CT, abdomen/pelvis. axial view. 512x512 px. 61-year-old female patient. 15 organs annotated in this scan (counted over the whole 3D scan, not this slice; an organ is boxed only where this slice passes through it)
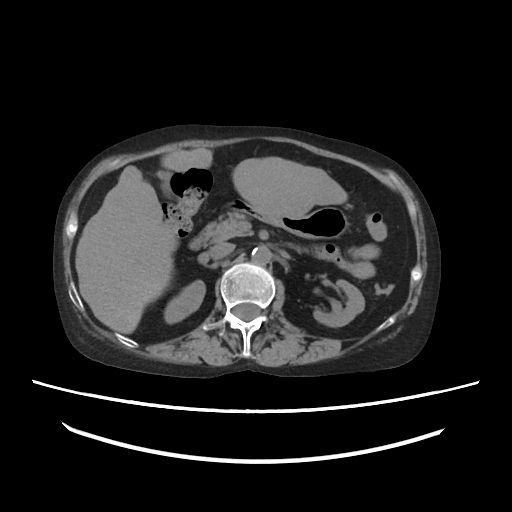 Boxes: x1:y1:x2:y2 in pixels.
right kidney: 164:280:205:323
left kidney: 313:280:364:326
gall bladder: 157:170:170:195
liver: 75:147:347:333
stomach: 234:202:348:238
aorta: 251:246:271:264
inferior vena cava: 209:242:234:259
pancreas: 206:213:248:241
duodenum: 189:227:338:259